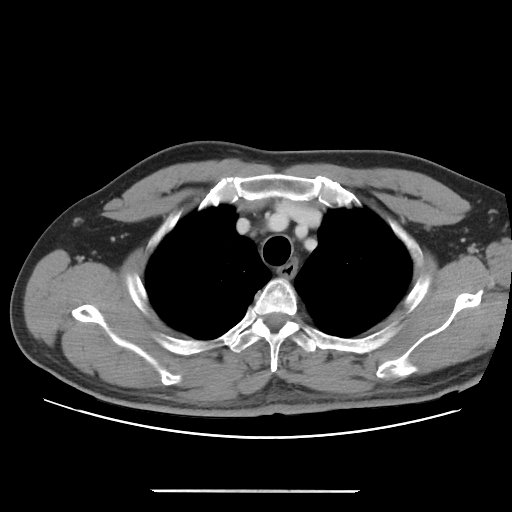

Chest-level slice from an abdominal CT that extends up into the chest; axial plane, index 121; 512x512 px
At this level of the chest no structure but the esophagus and the aorta has a label in this dataset, and those two are boxed only where they are labeled. Bounding boxes as [x1, y1, x2, y2] in pixel coordinates. 1 labeled organ on this slice — esophagus at [280, 263, 296, 276].